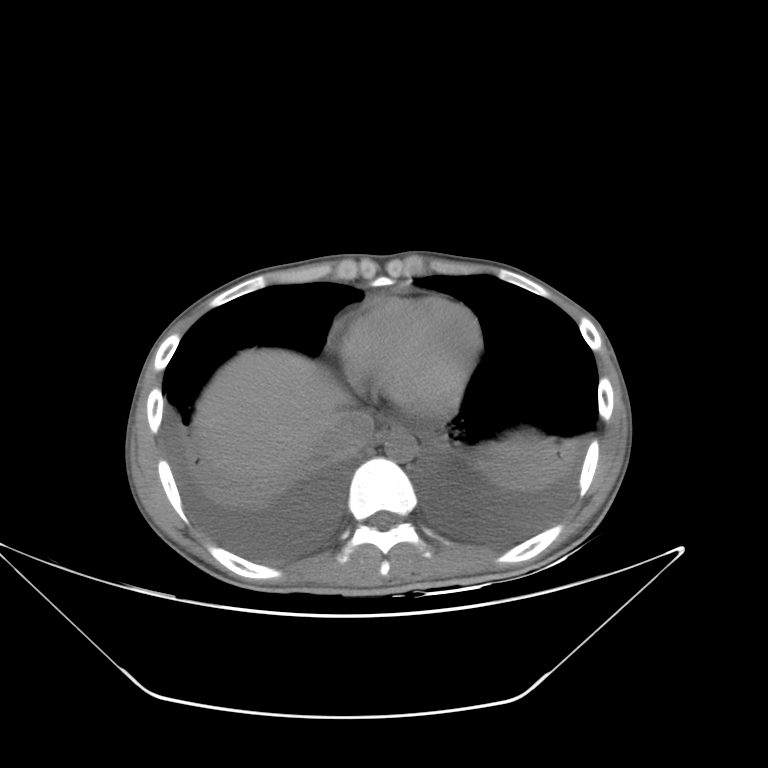

Computed tomography, abdomen; Axial slice 95/103; 24-year-old male patient; acquired on Brilliance16
Each box given as x1,y1,x2,y2. The annotated organs in this slice are: esophagus at x1=375, y1=426, x2=394, y2=441, aorta at x1=384, y1=429, x2=417, y2=461, liver at x1=192, y1=348, x2=347, y2=491, inferior vena cava at x1=319, y1=410, x2=374, y2=459.